Magnetic resonance imaging, abdomen · coronal view · 1st–99th percentile window · 260x320 px
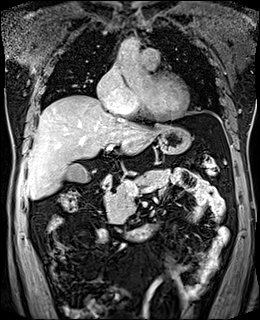
One row per box, in pixels: columns x1 and y1 give the top-left corner, x2 and y2 the bottom-right.
| organ | x1 | y1 | x2 | y2 |
|---|---|---|---|---|
| gall bladder | 64 | 163 | 91 | 183 |
| liver | 26 | 95 | 167 | 199 |
| stomach | 103 | 126 | 191 | 180 |
| aorta | 119 | 39 | 141 | 48 |
| pancreas | 105 | 169 | 170 | 224 |
| duodenum | 102 | 181 | 159 | 241 |